Computed tomography, abdomen. axial view. 512x512 px
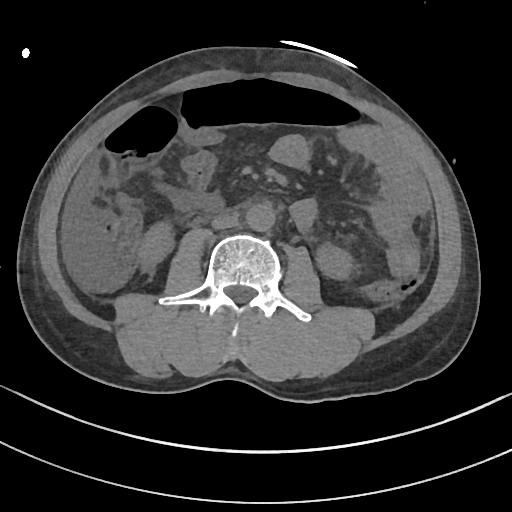

Box edges are left/top/right/bottom in pixels.
Organ bounding boxes:
- right kidney: left=138, top=221, right=173, bottom=269
- left kidney: left=316, top=244, right=355, bottom=279
- aorta: left=246, top=204, right=274, bottom=231
- inferior vena cava: left=211, top=214, right=238, bottom=229